CT, abdomen/pelvis; axial view
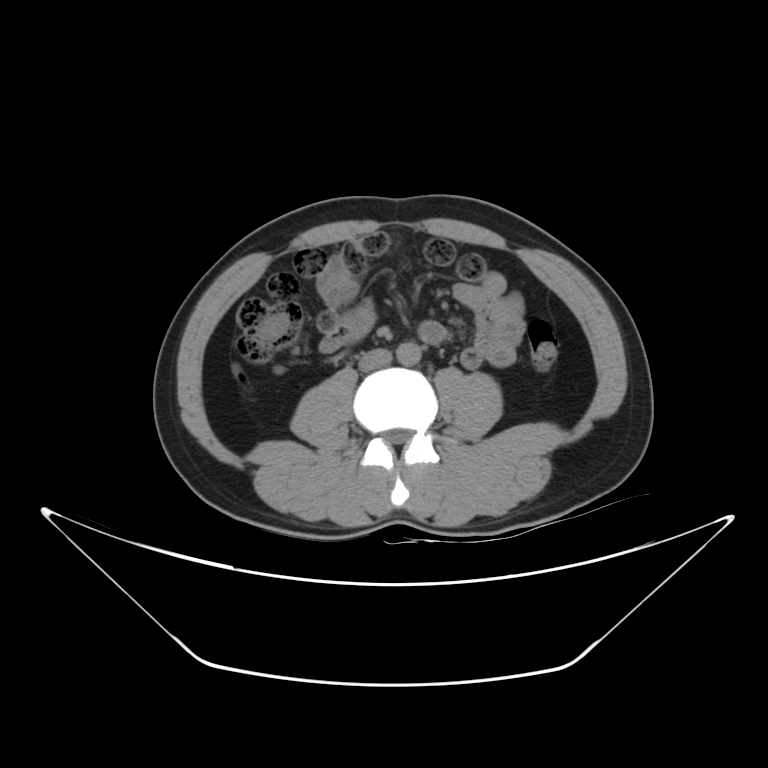
Bounding boxes as [x1, y1, x2, y2] in pixel coordinates.
aorta: [396, 342, 421, 365]
inferior vena cava: [359, 348, 391, 371]